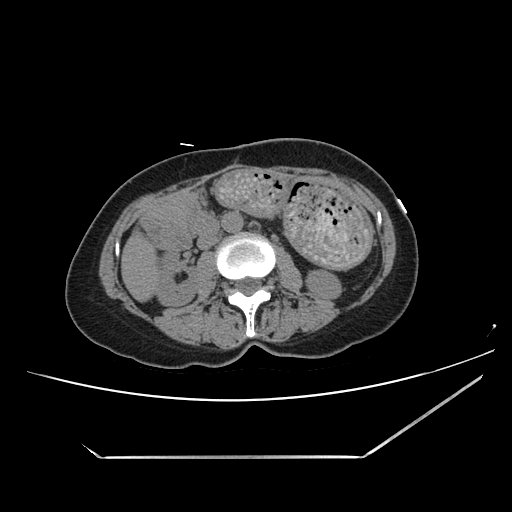

CT, abdomen/pelvis — axial view — soft-tissue window — SOMATOM Force scanner
Box edges are left/top/right/bottom in pixels.
Organ bounding boxes:
- right kidney: left=160, top=250, right=198, bottom=306
- left kidney: left=304, top=268, right=338, bottom=298
- liver: left=120, top=231, right=158, bottom=302
- stomach: left=157, top=169, right=374, bottom=268
- aorta: left=222, top=212, right=244, bottom=233
- inferior vena cava: left=197, top=234, right=218, bottom=250
- pancreas: left=158, top=198, right=203, bottom=226
- duodenum: left=142, top=209, right=218, bottom=251